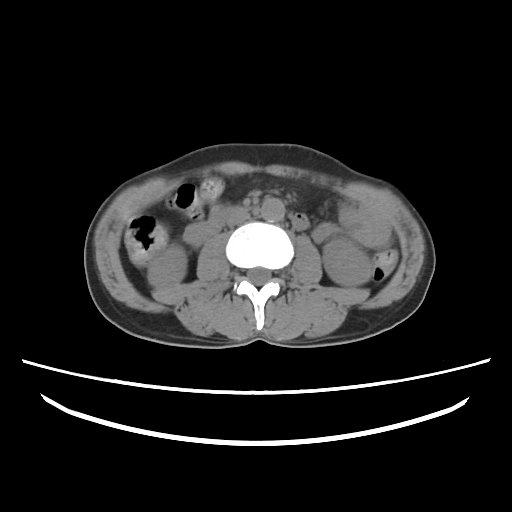 CT, abdomen/pelvis. axial plane, index 56. 54-year-old male patient
{"organs":{"right kidney":[148,247,185,287],"left kidney":[323,238,371,286],"aorta":[261,198,284,221],"inferior vena cava":[226,210,250,226]}}